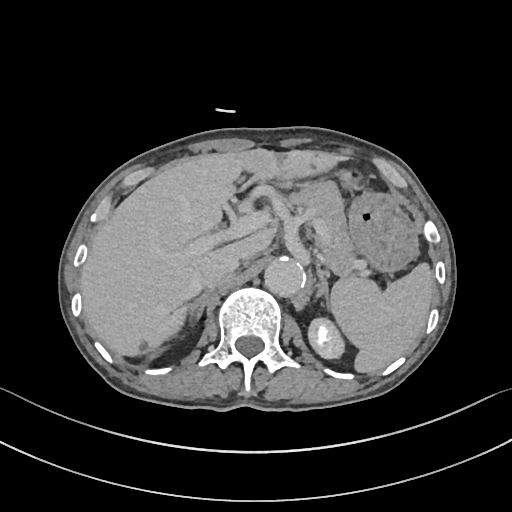

CT, abdomen/pelvis · axial plane, index 161
Coordinates as <box>x1,y1,x2,y2</box> in pixels.
Organ bounding boxes:
- spleen: <box>331,262,433,372</box>
- left kidney: <box>307,316,345,359</box>
- liver: <box>80,149,337,354</box>
- stomach: <box>335,167,418,271</box>
- aorta: <box>264,255,304,295</box>
- inferior vena cava: <box>201,252,239,287</box>
- pancreas: <box>288,180,357,276</box>
- right adrenal gland: <box>189,289,210,320</box>
- left adrenal gland: <box>315,271,330,309</box>